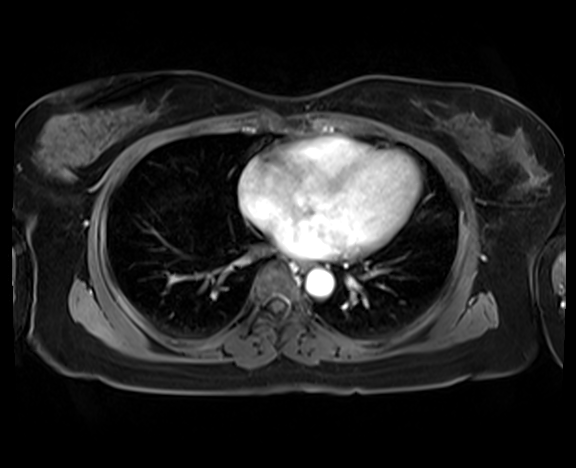
Lower-chest slice from an abdominal MRI, just above the liver and spleen — axial plane, index 68 — percentile-normalized — Prisma scanner
Of the structures in the chest, this dataset labels only the esophagus, the aorta and the inferior vena cava; the heart and lungs have no label.
Organ boxes in pixel coordinates; each row gives the top-left (x1, y1) and bottom-right (x2, y2) corners.
| organ | x1 | y1 | x2 | y2 |
|---|---|---|---|---|
| esophagus | 296 | 261 | 310 | 271 |
| aorta | 305 | 269 | 334 | 297 |